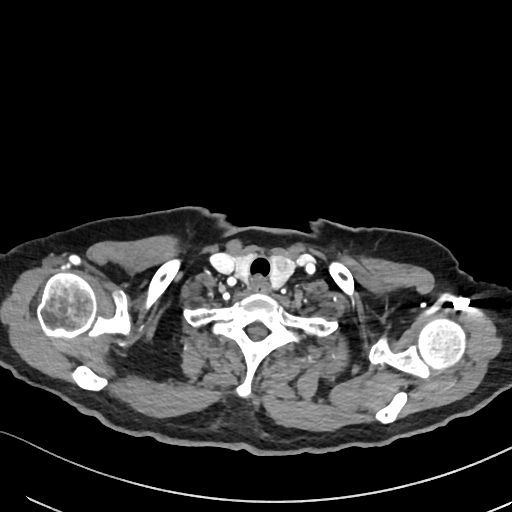

Chest-level CT slice, above the liver and spleen. Axial slice 293/297. scan has 15 labeled organs (a whole-scan count: organs this slice does not pass through have no box)
At this level of the chest this dataset labels only the esophagus and the aorta, and each is boxed only where it is labeled; the heart and lungs are never labeled.
{"organs":{"esophagus":[251,277,269,292]}}